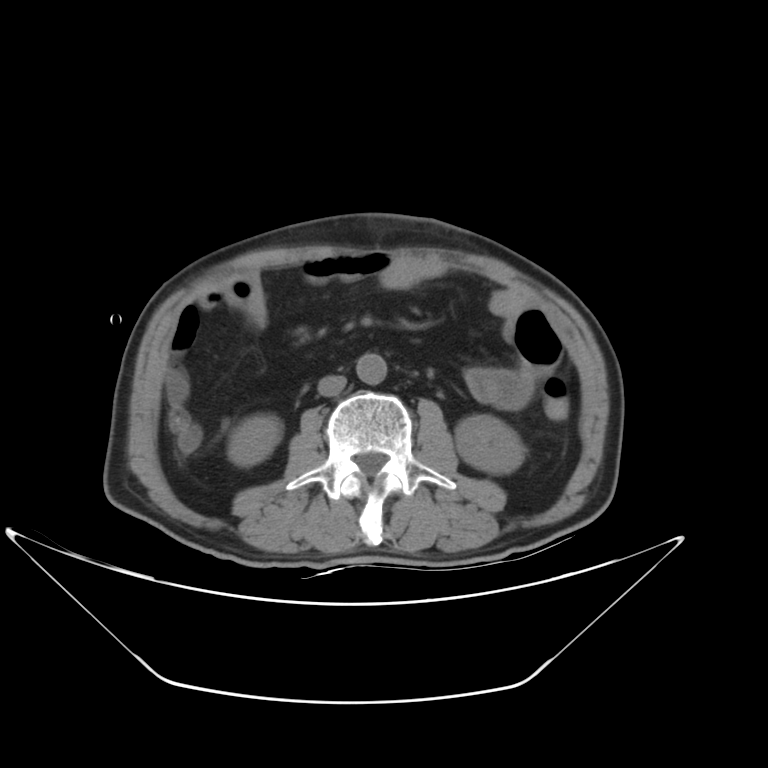
CT abdomen · axial view · abdomen soft-tissue window · 768x768 px · 65-year-old male patient · Brilliance16 scanner
Box edges are left/top/right/bottom in pixels.
right kidney: left=228, top=416, right=280, bottom=466
left kidney: left=455, top=415, right=524, bottom=473
aorta: left=356, top=353, right=387, bottom=384
inferior vena cava: left=318, top=375, right=346, bottom=396